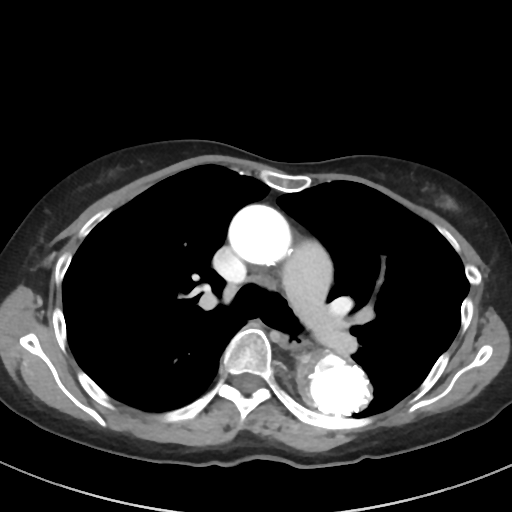
CT of the abdomen extending into the chest, slice through the chest; Axial slice 96/116; 512x512 px
At this level of the chest no structure but the esophagus and the aorta has a label in this dataset, and those two are boxed only where they are labeled. Bounding boxes as [x1, y1, x2, y2] in pixel coordinates. 2 labeled organs on this slice — esophagus at [280, 335, 302, 349]; aorta at [297, 350, 372, 418]; aorta at [228, 204, 291, 265].